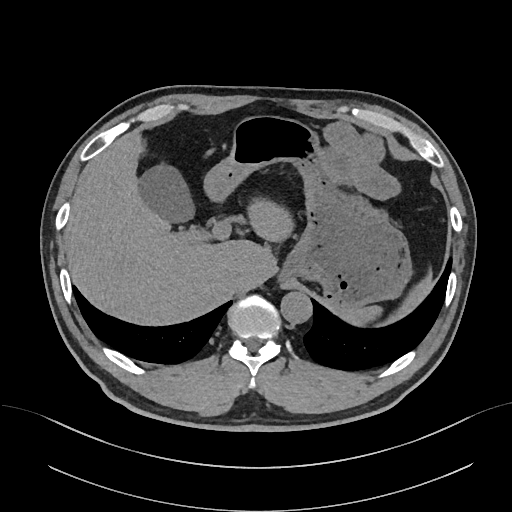 Computed tomography, abdomen — axial view — soft-tissue window
Boxes: x1:y1:x2:y2 in pixels.
gall bladder: 139:163:196:223
spleen: 336:305:382:324
inferior vena cava: 227:264:245:283
aorta: 280:291:311:323
stomach: 203:115:410:312
liver: 64:129:293:325